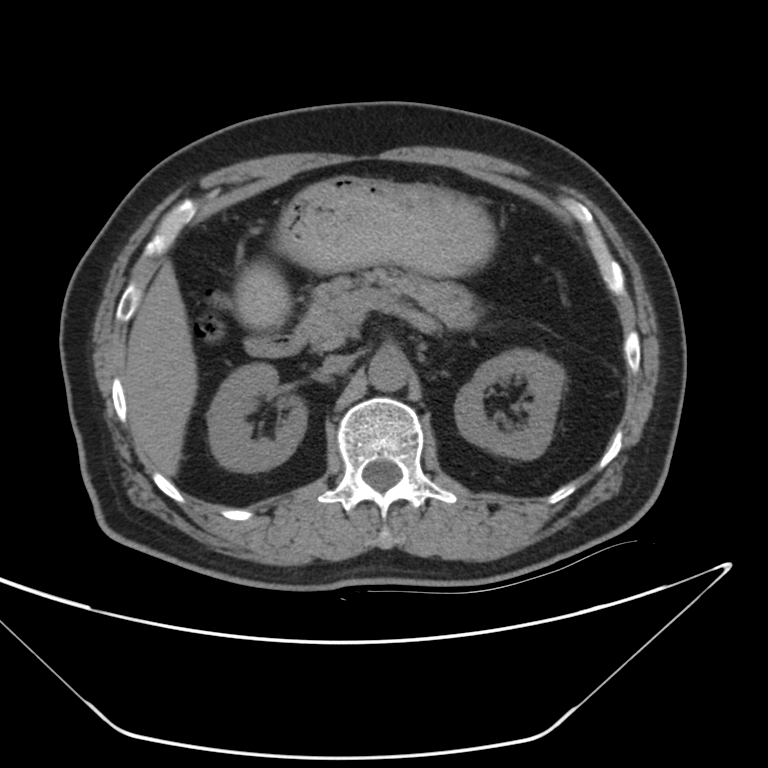

Computed tomography, abdomen; axial view; soft-tissue window
<organs><organ name="right kidney" x1="208" y1="362" x2="305" y2="471"/><organ name="left kidney" x1="455" y1="351" x2="563" y2="460"/><organ name="liver" x1="125" y1="259" x2="199" y2="478"/><organ name="stomach" x1="237" y1="179" x2="495" y2="327"/><organ name="aorta" x1="369" y1="348" x2="411" y2="393"/><organ name="inferior vena cava" x1="323" y1="356" x2="350" y2="375"/><organ name="pancreas" x1="296" y1="270" x2="479" y2="347"/><organ name="duodenum" x1="241" y1="335" x2="302" y2="358"/></organs>